CT, abdomen/pelvis · axial plane, index 126 · scan has 15 labeled organs (that count is for the whole scan; organs this slice misses have no box)
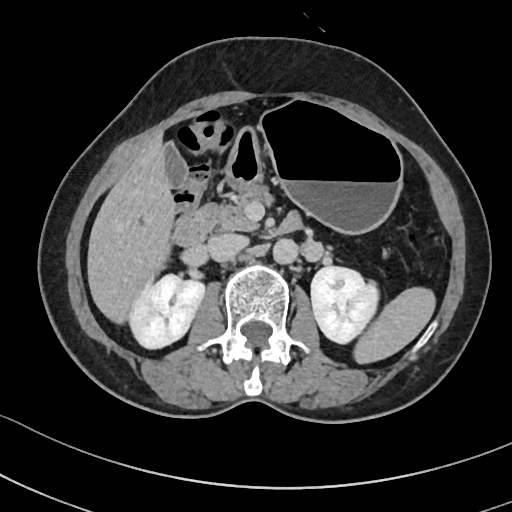

Organ boxes in pixel coordinates; each row gives the top-left (x1, y1) and bottom-right (x2, y2) corners.
| organ | x1 | y1 | x2 | y2 |
|---|---|---|---|---|
| pancreas | 199 | 187 | 272 | 230 |
| stomach | 226 | 101 | 401 | 232 |
| gall bladder | 164 | 143 | 186 | 187 |
| liver | 88 | 138 | 174 | 321 |
| duodenum | 171 | 211 | 302 | 246 |
| left kidney | 311 | 265 | 379 | 344 |
| spleen | 356 | 289 | 433 | 362 |
| aorta | 273 | 237 | 298 | 263 |
| inferior vena cava | 207 | 234 | 247 | 260 |
| right kidney | 127 | 273 | 204 | 347 |